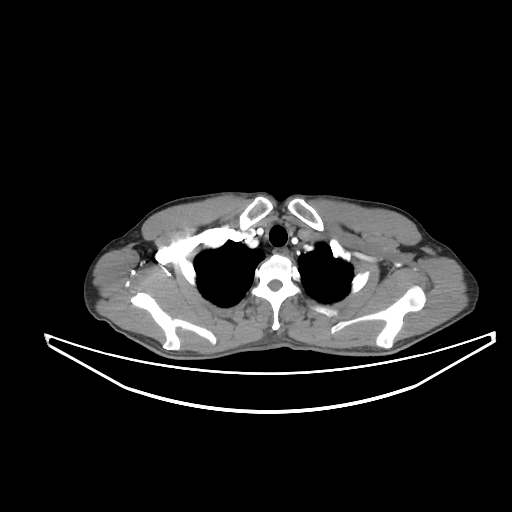

Abdominal CT reaching into the chest; this slice is in the chest · axial view · soft-tissue window (W 400 / L 40)
On a slice this high in the chest, this dataset labels only the esophagus and the aorta, and each is boxed only where it is labeled; the heart, lungs and other chest structures are not labeled.
<organs><organ name="esophagus" x1="274" y1="249" x2="288" y2="255"/></organs>